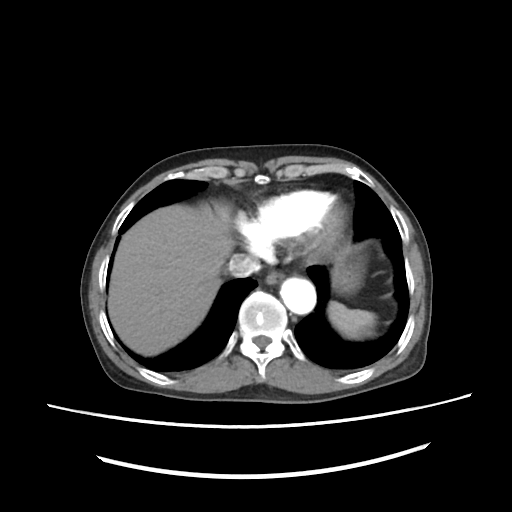
CT abdomen — axial view — scan has 15 labeled organs (counted over the whole 3D scan, not this slice; an organ is boxed only where this slice passes through it)
<organs><organ name="spleen" x1="328" y1="303" x2="376" y2="339"/><organ name="esophagus" x1="264" y1="269" x2="284" y2="285"/><organ name="liver" x1="107" y1="202" x2="233" y2="354"/><organ name="stomach" x1="331" y1="261" x2="362" y2="290"/><organ name="aorta" x1="280" y1="278" x2="315" y2="312"/><organ name="inferior vena cava" x1="230" y1="254" x2="259" y2="277"/></organs>